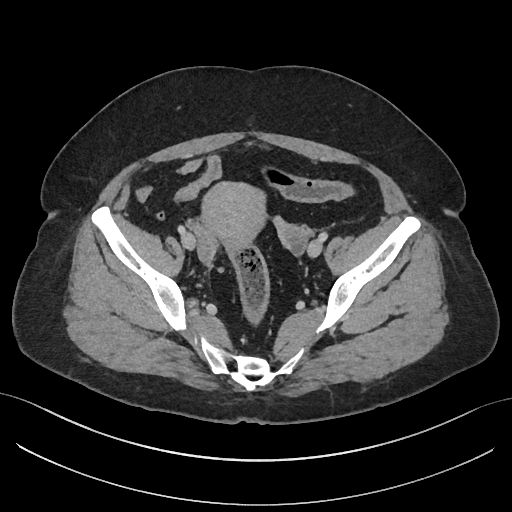 CT abdomen · Axial slice 59/305 · 512x512 px
Boxes are (x1, y1, x2, y2) in pixels. Labeled organs on this slice: prostate/uterus at (202, 181, 265, 247).